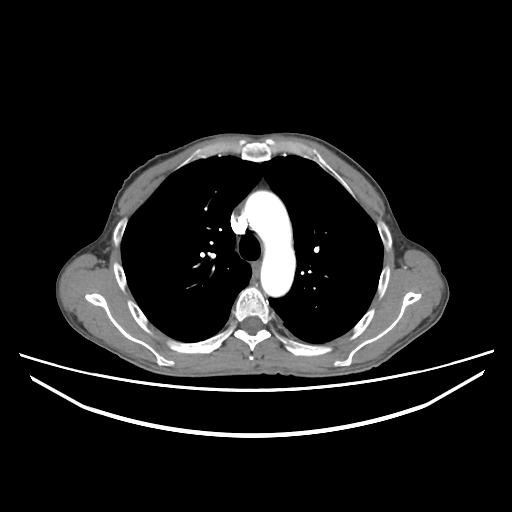

Abdominal CT reaching into the chest; this slice is in the chest · axial view
At this level of the chest no structure but the esophagus and the aorta has a label in this dataset, and those two are boxed only where they are labeled. Bounding boxes as [x1, y1, x2, y2] in pixel coordinates. The annotated organs in this slice are: esophagus at [251, 262, 261, 271], aorta at [244, 191, 295, 296].